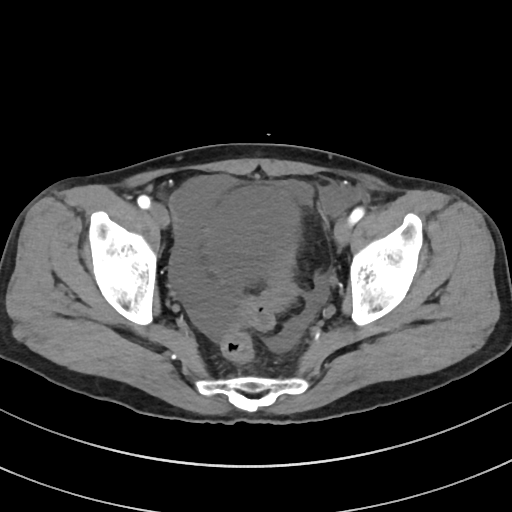 CT abdomen — axial plane, index 19 — SOMATOM Force scanner — scan has 15 labeled organs (that count is for the whole scan; organs this slice misses have no box)
{"organs":{"bladder":[202,186,299,284]}}